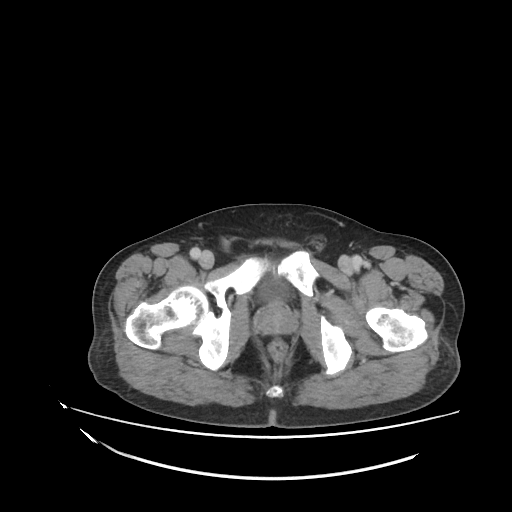
Abdominal CT · axial view · 512x512 px · 66-year-old male patient · acquired on Aquilion ONE
Each box given as x1,y1,x2,y2.
bladder: x1=260, y1=278, x2=289, y2=303
prostate/uterus: x1=256, y1=303, x2=294, y2=334